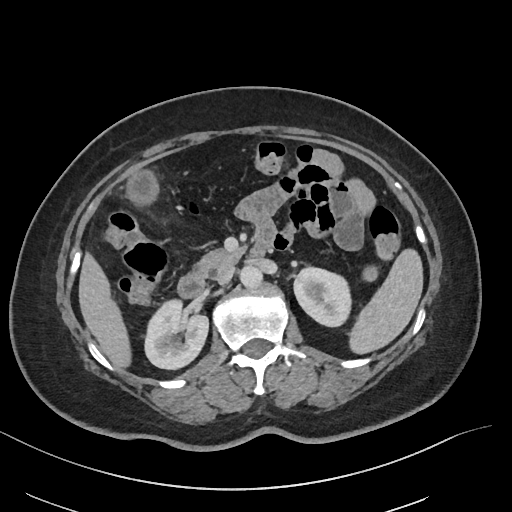 Computed tomography, abdomen; axial view; SOMATOM Force scanner
Bounding boxes as [x1, y1, x2, y2] in pixel coordinates.
Organ bounding boxes:
- gall bladder: [128, 172, 157, 204]
- pancreas: [196, 248, 244, 275]
- liver: [78, 252, 131, 367]
- aorta: [240, 265, 262, 288]
- right kidney: [145, 299, 208, 369]
- spleen: [349, 248, 423, 354]
- duodenum: [177, 238, 270, 297]
- left kidney: [294, 267, 351, 326]
- inferior vena cava: [215, 267, 234, 284]